CT abdomen. axial view. acquired on Aquilion ONE. scan has 15 labeled organs (a whole-scan count: organs this slice does not pass through have no box)
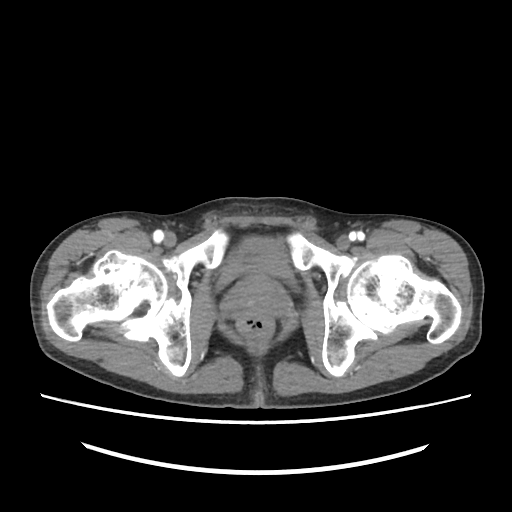

Boxes: x1 y1 x2 y2 (pixel coords, space-separated). Labeled organs on this slice: bladder at 218 239 297 289, prostate/uterus at 226 277 289 316.